Lower-chest slice from an abdominal CT, just above the liver and spleen; axial view; 512x512 px; acquired on SOMATOM Force
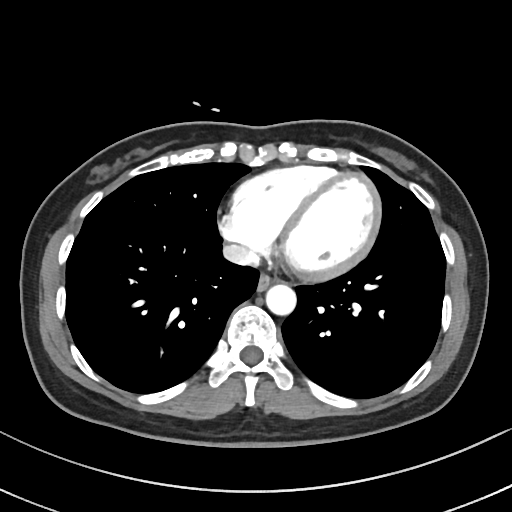 Of the structures in the chest, this dataset labels only the esophagus, the aorta and the inferior vena cava; the heart and lungs have no label.
Organ boxes in pixel coordinates; each row gives the top-left (x1, y1) and bottom-right (x2, y2) corners.
| organ | x1 | y1 | x2 | y2 |
|---|---|---|---|---|
| esophagus | 258 | 272 | 279 | 289 |
| aorta | 265 | 283 | 296 | 314 |
| inferior vena cava | 221 | 244 | 259 | 265 |